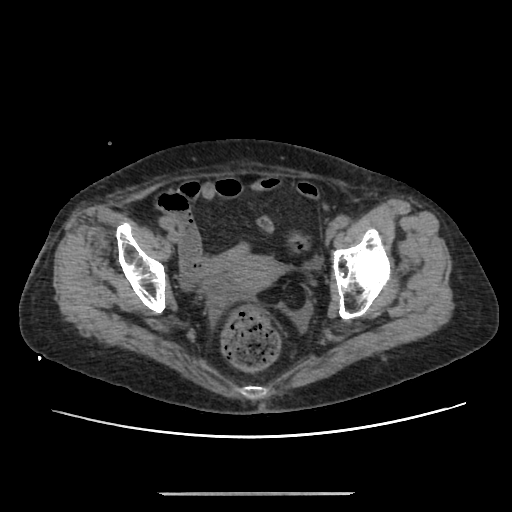
Abdominal CT · axial view · soft-tissue window (W 400 / L 40) · 512x512 px
Coordinates as <box>x1,y1,x2,y2</box> in pixels.
prostate/uterus: <box>228,255,283,293</box>